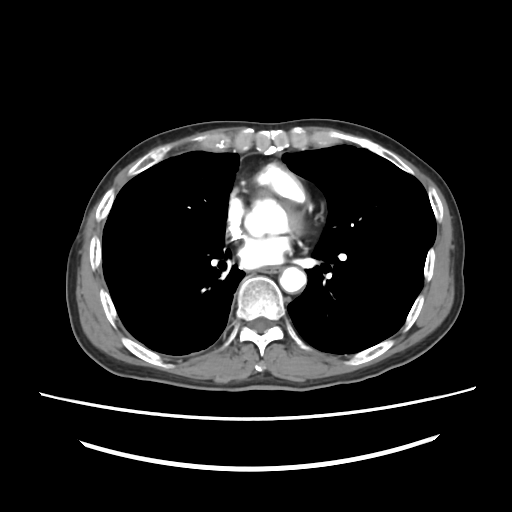
Chest-level slice from an abdominal CT that extends up into the chest; axial view; W/L 400/40 HU; 65-year-old male patient
On a slice this high in the chest, this dataset labels only the esophagus and the aorta, and each is boxed only where it is labeled; the heart, lungs and other chest structures are not labeled.
{"organs":{"aorta":[279,267,306,292],"esophagus":[259,266,279,272]}}